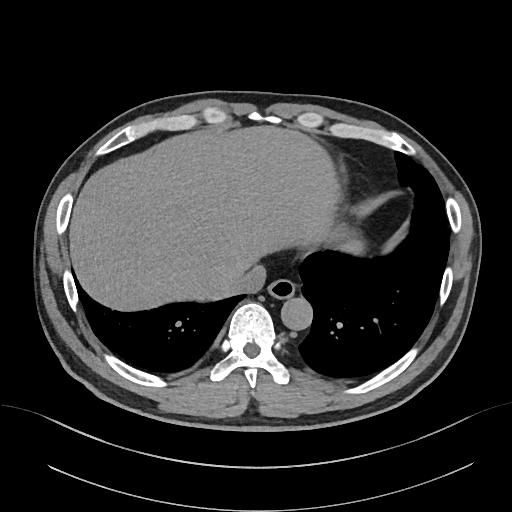

CT, abdomen/pelvis. axial view. abdomen soft-tissue window. scan has 15 labeled organs (a whole-scan count: organs this slice does not pass through have no box)
Box edges are left/top/right/bottom in pixels.
esophagus: left=267, top=278, right=295, bottom=298
liver: left=69, top=125, right=363, bottom=311
aorta: left=281, top=297, right=312, bottom=329
inferior vena cava: left=227, top=265, right=265, bottom=295